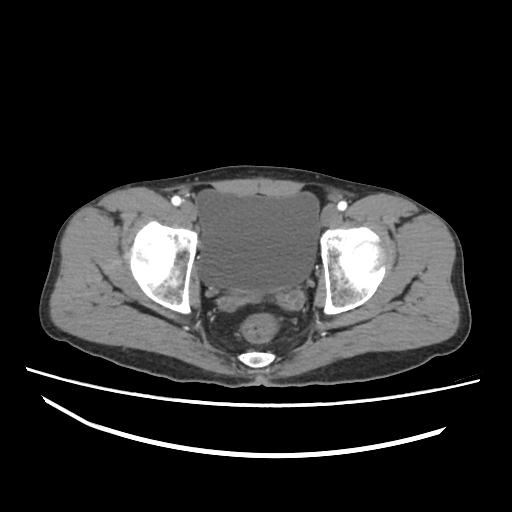

Computed tomography, abdomen; axial view; soft-tissue window; 512x512 px; 40-year-old male patient; acquired on Aquilion ONE
Coordinates as <box>x1,y1,x2,y2</box> in pixels.
Organ bounding boxes:
- bladder: <box>196,189,319,292</box>